CT, abdomen/pelvis; axial view; 32-year-old female patient; scan has 15 labeled organs (counted over the whole 3D scan, not this slice; an organ is boxed only where this slice passes through it)
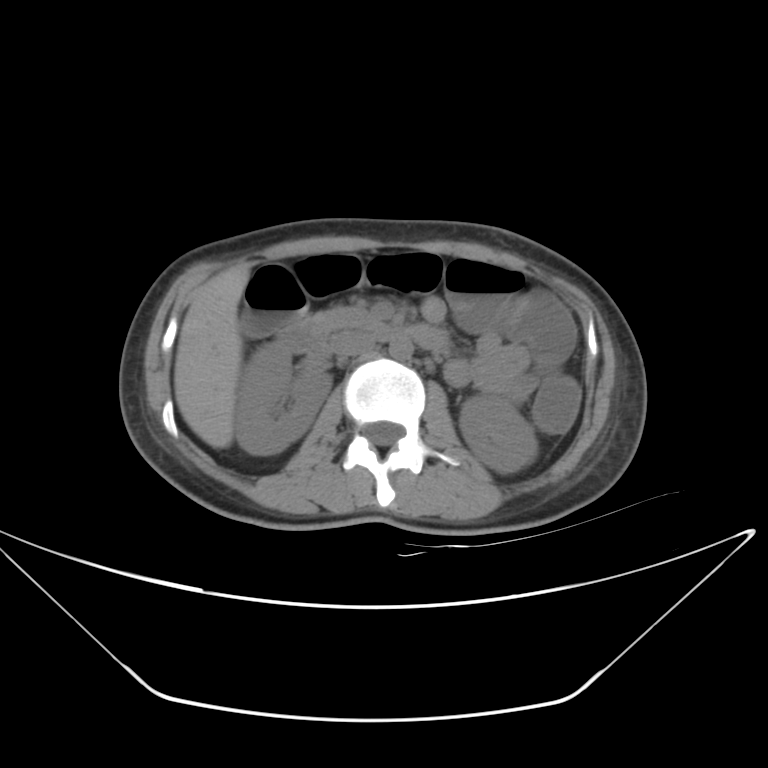
Coordinates as <box>x1,y1,x2,y2</box> in pixels. Labeled organs on this slice: aorta at <box>388,337,412,360</box>, inferior vena cava at <box>329,331,374,357</box>, right kidney at <box>235,343,332,455</box>, left kidney at <box>460,396,538,472</box>, liver at <box>174,266,249,449</box>, pancreas at <box>311,307,373,330</box>, duodenum at <box>279,318,449,352</box>.